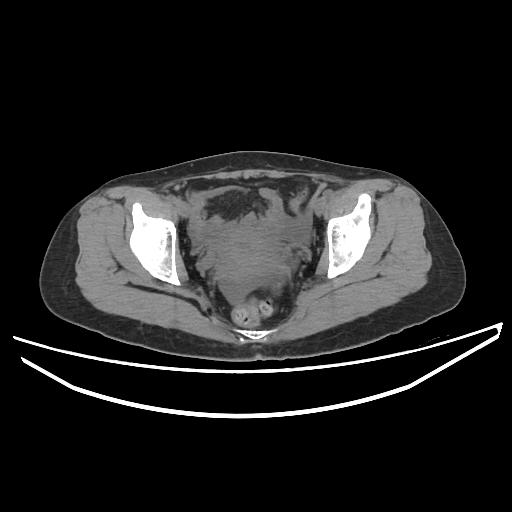

CT abdomen. axial view. 50-year-old female patient. Aquilion ONE scanner
<organs><organ name="prostate/uterus" x1="216" y1="232" x2="278" y2="282"/></organs>